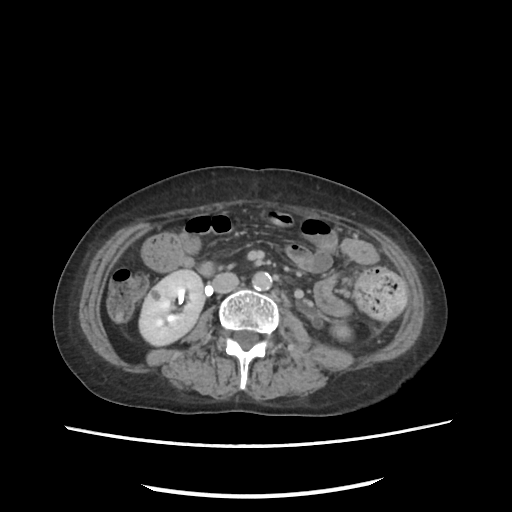 Computed tomography, abdomen; axial plane, index 47
Boxes are (x1, y1, x2, y2) in pixels.
aorta: (252, 272, 272, 290)
left kidney: (331, 322, 351, 340)
inferior vena cava: (212, 272, 238, 293)
right kidney: (139, 270, 204, 345)